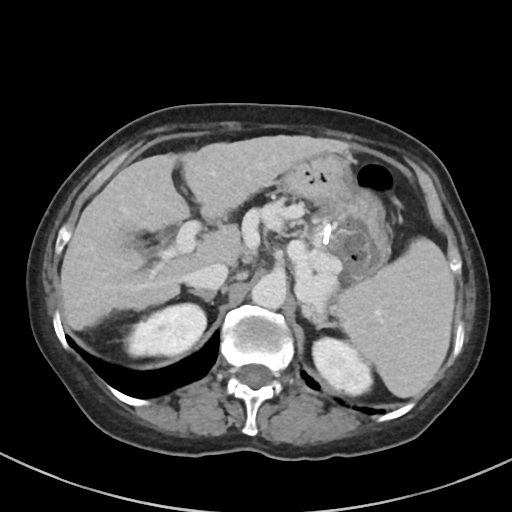
Abdominal CT — axial view — SOMATOM Force scanner — scan has 15 labeled organs (that count is for the whole scan; organs this slice misses have no box)
Boxes: x1:y1:x2:y2 in pixels.
spleen: 334:238:454:397
right kidney: 124:303:206:356
left kidney: 312:337:372:395
liver: 60:135:350:330
stomach: 280:154:390:281
aorta: 251:272:287:308
inferior vena cava: 186:262:228:290
right adrenal gland: 189:289:216:303
left adrenal gland: 309:315:334:329